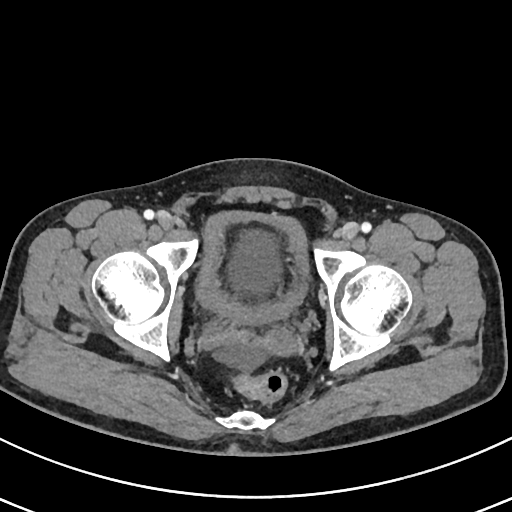
Abdominal CT — axial view — acquired on SOMATOM Force
Organ boxes in pixel coordinates; each row gives the top-left (x1, y1) and bottom-right (x2, y2) corners.
| organ | x1 | y1 | x2 | y2 |
|---|---|---|---|---|
| bladder | 196 | 211 | 307 | 323 |